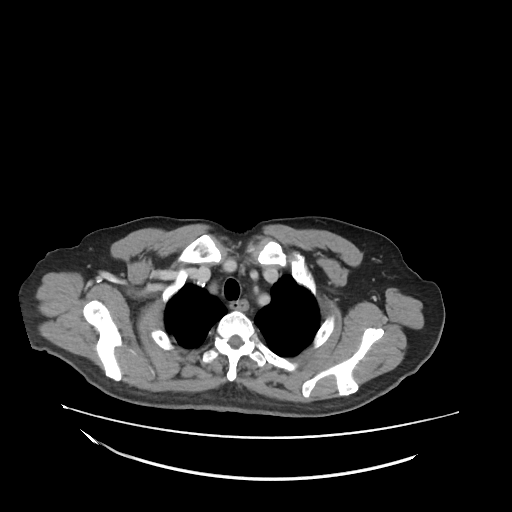

Chest-level CT slice, above the liver and spleen; axial view; 512x512 px; 15 organs annotated in this scan (counted over the whole 3D scan, not this slice; an organ is boxed only where this slice passes through it)
At this level of the chest this dataset labels only the esophagus and the aorta, and each is boxed only where it is labeled; the heart and lungs are never labeled. Box edges are left/top/right/bottom in pixels. The annotated organs in this slice are: esophagus at left=230, top=300, right=248, bottom=309.